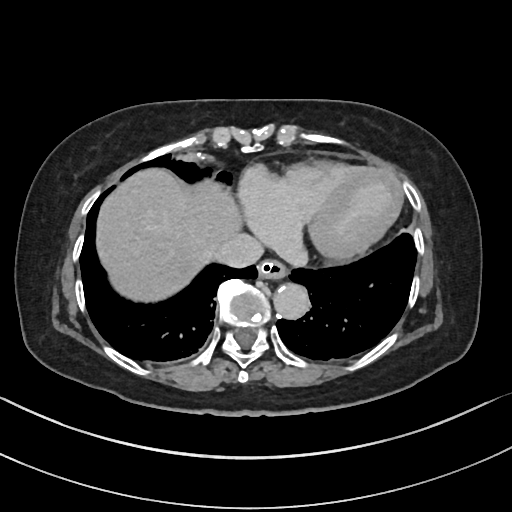
CT abdomen. axial view
Bounding boxes in pixels, one row per box: x1, y1 is the top-left corner and x2, y2 the bottom-right.
| organ | x1 | y1 | x2 | y2 |
|---|---|---|---|---|
| liver | 94 | 167 | 239 | 301 |
| esophagus | 258 | 257 | 287 | 278 |
| aorta | 273 | 281 | 309 | 318 |
| inferior vena cava | 214 | 233 | 262 | 267 |